Lower-chest slice from an abdominal CT, just above the liver and spleen · Axial slice 212/218 · soft-tissue window, W/L 400/40
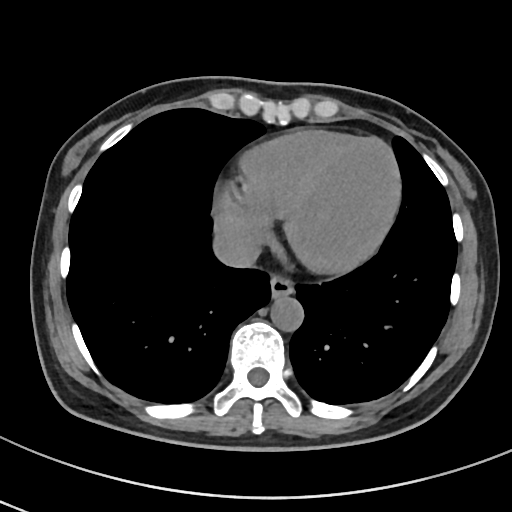
No part of the heart or lungs is labeled in this dataset, so neither has a box here.
<organs><organ name="esophagus" x1="270" y1="275" x2="294" y2="298"/><organ name="inferior vena cava" x1="213" y1="229" x2="260" y2="267"/><organ name="aorta" x1="271" y1="296" x2="303" y2="331"/></organs>